Chest-level slice from an abdominal CT that extends up into the chest; axial plane, index 95; 81-year-old male patient
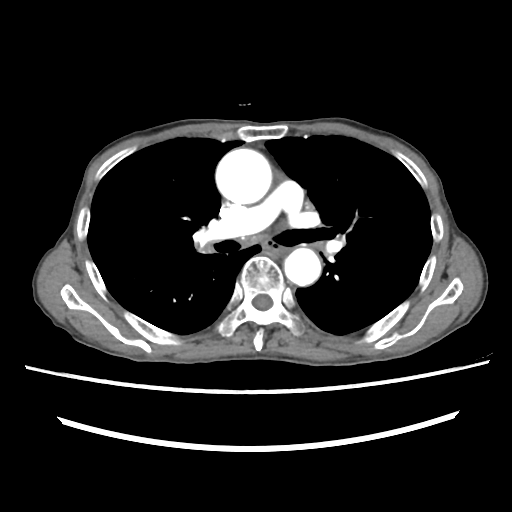 At this level of the chest this dataset labels only the esophagus and the aorta, and each is boxed only where it is labeled; the heart and lungs are never labeled.
<organs><organ name="esophagus" x1="263" y1="241" x2="280" y2="256"/><organ name="aorta" x1="216" y1="148" x2="271" y2="204"/><organ name="aorta" x1="284" y1="248" x2="321" y2="285"/></organs>